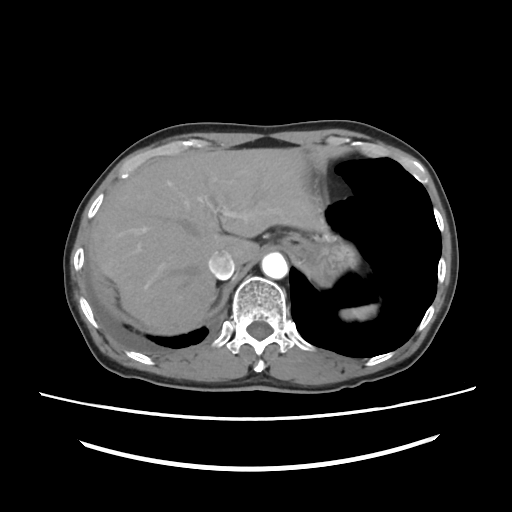
CT abdomen — axial view — 512x512 px — 65-year-old male patient — Aquilion ONE scanner
Bounding boxes as [x1, y1, x2, y2] in pixel coordinates.
Organ bounding boxes:
- spleen: [341, 305, 375, 319]
- liver: [92, 148, 324, 334]
- stomach: [282, 233, 357, 285]
- aorta: [261, 252, 287, 279]
- inferior vena cava: [208, 251, 235, 279]